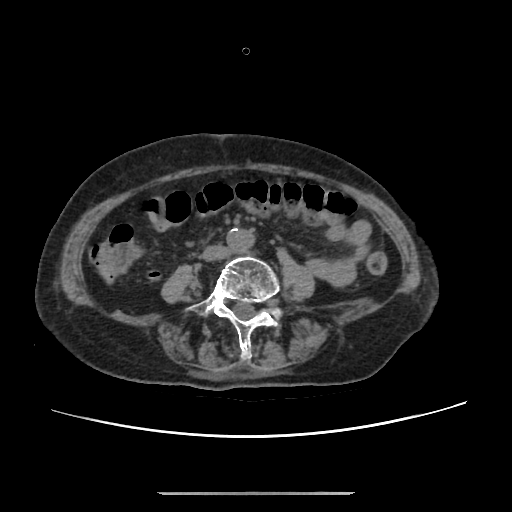

CT abdomen. axial plane, index 170. abdomen soft-tissue window
<organs><organ name="aorta" x1="226" y1="228" x2="254" y2="251"/><organ name="inferior vena cava" x1="202" y1="245" x2="228" y2="260"/></organs>